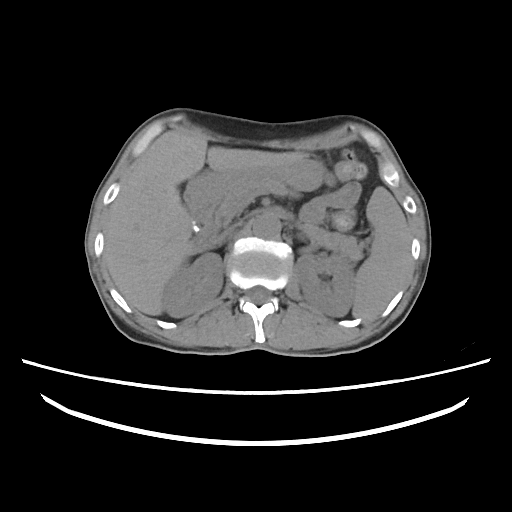 Abdominal CT · axial plane, index 69 · W/L 400/40 HU · 54-year-old male patient · Aquilion ONE scanner
Boxes are (x1, y1, x2, y2) in pixels. The annotated organs in this slice are: spleen at (352, 187, 411, 316), right kidney at (163, 254, 221, 315), left kidney at (294, 256, 355, 316), gall bladder at (190, 217, 202, 233), liver at (104, 132, 309, 314), stomach at (185, 159, 322, 207), aorta at (252, 214, 280, 237), inferior vena cava at (222, 220, 243, 238), pancreas at (215, 187, 361, 260), duodenum at (182, 191, 223, 254).